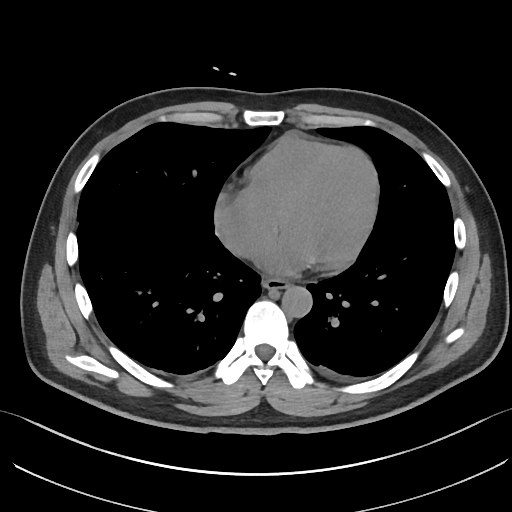
CT of the abdomen reaching into the lower chest, slice just above the liver and spleen — axial view — 15 organs annotated in this scan (that count is for the whole scan; organs this slice misses have no box)
Of the structures in the chest, this dataset labels only the esophagus, the aorta and the inferior vena cava; the heart and lungs have no label.
Bounding boxes in pixels, one row per box: x1, y1 is the top-left corner and x2, y2 the bottom-right.
| organ | x1 | y1 | x2 | y2 |
|---|---|---|---|---|
| esophagus | 262 | 278 | 289 | 290 |
| aorta | 281 | 286 | 312 | 317 |